CT abdomen. axial view
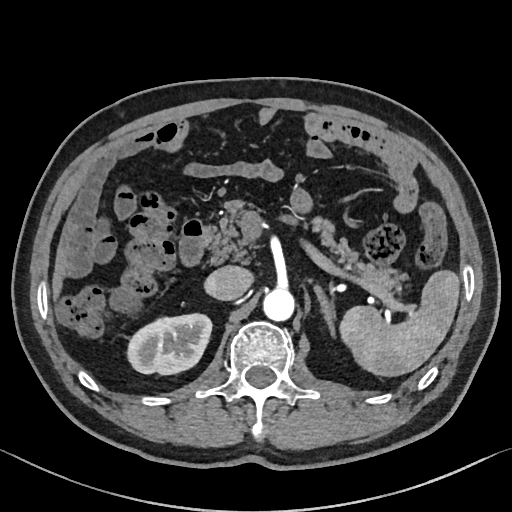

{"organs":{"spleen":[338,268,460,376],"right kidney":[129,315,211,374],"liver":[50,233,66,304],"aorta":[262,287,294,322],"inferior vena cava":[207,266,250,300],"pancreas":[208,199,404,290],"left adrenal gland":[314,286,335,337],"duodenum":[179,219,211,265]}}